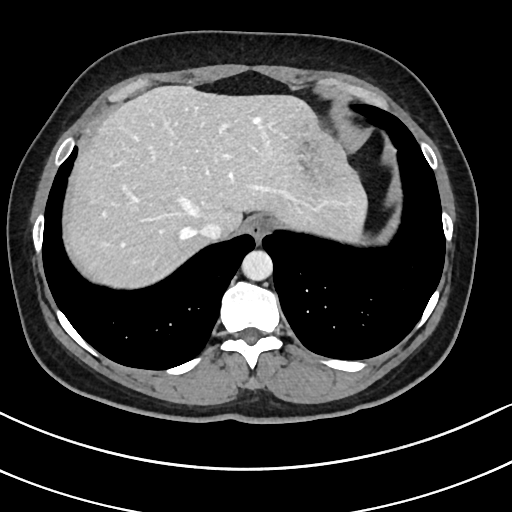
CT, abdomen/pelvis; axial view; abdomen soft-tissue window; 15 organs annotated in this scan (that count is for the whole scan; organs this slice misses have no box)
Boxes are (x1, y1, x2, y2) in pixels.
Organ bounding boxes:
- spleen: (358, 239, 362, 242)
- esophagus: (244, 215, 271, 240)
- liver: (63, 85, 368, 288)
- stomach: (298, 125, 323, 231)
- aorta: (242, 250, 272, 280)
- inferior vena cava: (198, 224, 219, 240)